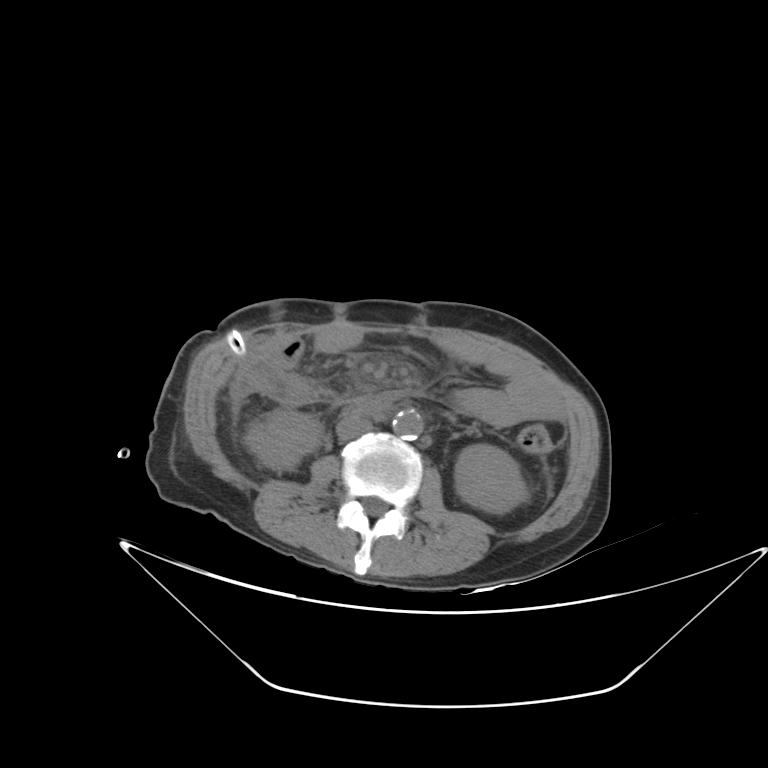 CT abdomen · axial view · abdomen soft-tissue window
Box edges are left/top/right/bottom in pixels.
aorta: left=392, top=410, right=423, bottom=440
right kidney: left=245, top=409, right=323, bottom=470
inferior vena cava: left=336, top=414, right=372, bottom=440
left kidney: left=454, top=444, right=527, bottom=513
duodenum: left=354, top=394, right=390, bottom=415